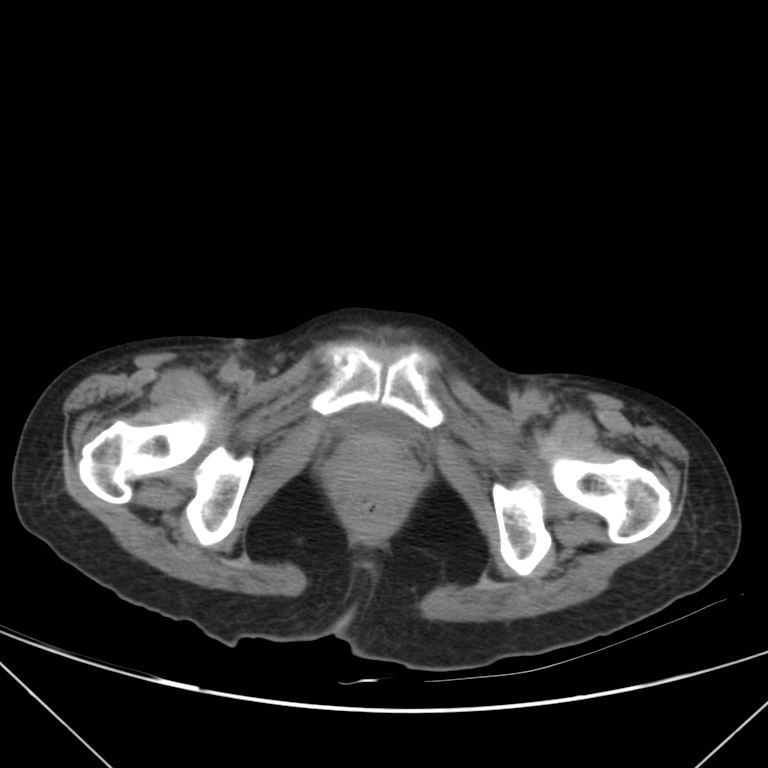 CT abdomen · axial plane, index 11 · 768x768 px · scan has 15 labeled organs (that count is for the whole scan; organs this slice misses have no box)
Box edges are left/top/right/bottom in pixels.
Organ bounding boxes:
- bladder: left=343, top=411, right=409, bottom=439